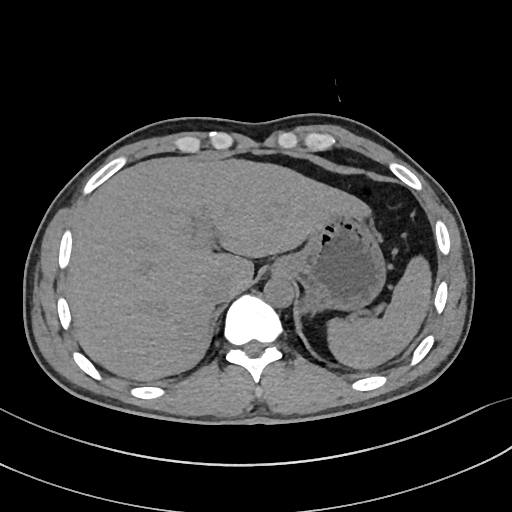 CT, abdomen/pelvis; axial view; abdomen soft-tissue window
Boxes: x1 y1 x2 y2 (pixel coords, space-separated).
inferior vena cava: 204 273 233 303
spleen: 327 258 429 367
liver: 68 158 373 379
stomach: 269 215 386 316
aorta: 264 279 294 308